Abdominal MRI — axial view — 576x468 px — acquired on Prisma
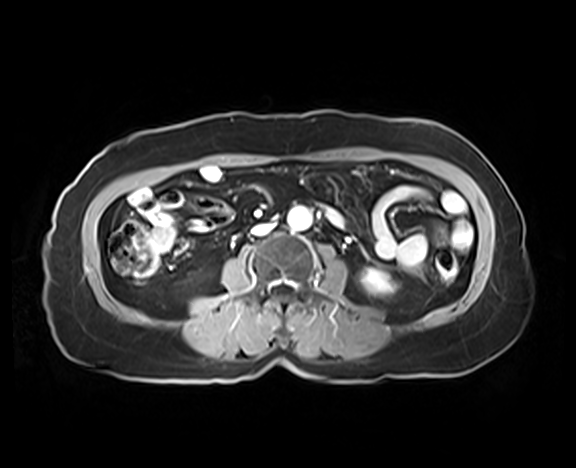 {"organs":{"left kidney":[361,268,393,294],"aorta":[288,207,311,229],"inferior vena cava":[252,223,272,235]}}